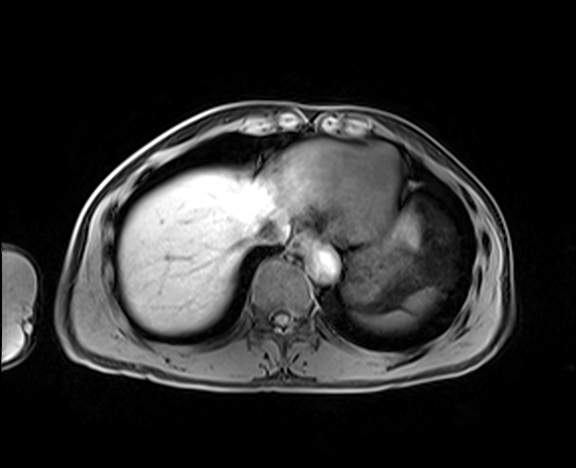
Abdominal MRI; axial view; scan has 13 labeled organs (that count is for the whole scan; organs this slice misses have no box)
Boxes are (x1, y1, x2, y2) in pixels.
esophagus: (288, 234, 317, 252)
inferior vena cava: (253, 216, 285, 244)
liver: (118, 169, 421, 332)
aorta: (311, 249, 338, 279)
stomach: (346, 237, 406, 302)
spleen: (353, 288, 436, 329)